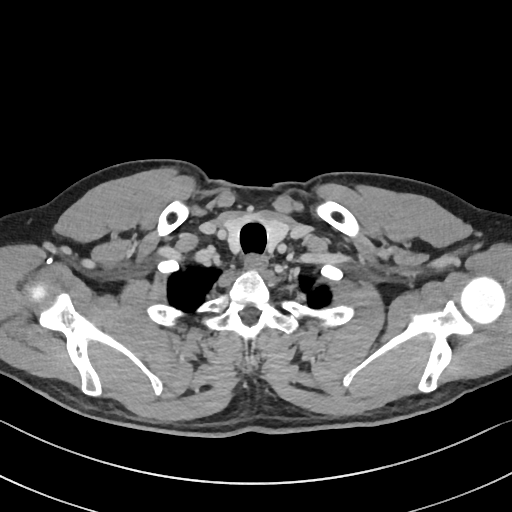
Chest-level CT slice, above the liver and spleen; axial view; W/L 400/40 HU; 512x512 px
At this level of the chest this dataset labels only the esophagus and the aorta, and each is boxed only where it is labeled; the heart and lungs are never labeled.
Bounding boxes as [x1, y1, x2, y2] in pixel coordinates.
esophagus: [246, 255, 265, 269]